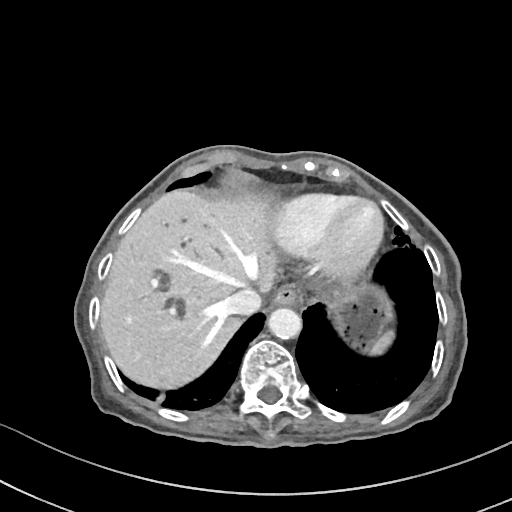 CT, abdomen/pelvis. axial view. abdomen soft-tissue window. 512x512 px
Boxes are (x1, y1, x2, y2) in pixels.
Organ bounding boxes:
- spleen: (369, 330, 393, 354)
- esophagus: (273, 285, 301, 306)
- liver: (100, 190, 275, 388)
- stomach: (328, 280, 391, 349)
- aorta: (268, 307, 301, 339)
- inferior vena cava: (223, 288, 261, 315)